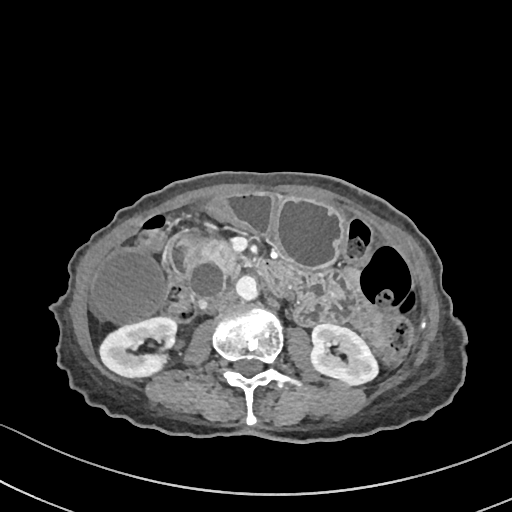
CT, abdomen/pelvis. axial view
{"organs":{"inferior vena cava":[207,289,236,311],"duodenum":[170,229,290,295],"stomach":[208,192,344,268],"left kidney":[311,323,377,384],"gall bladder":[93,250,166,322],"pancreas":[191,239,240,275],"right kidney":[100,317,176,377],"aorta":[236,276,258,300]}}